Abdominal MR · coronal view
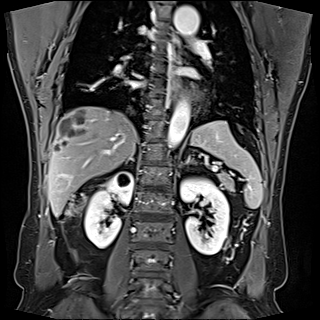
Organ boxes in pixel coordinates; each row gives the top-left (x1, y1) and bottom-right (x2, y2) corners.
| organ | x1 | y1 | x2 | y2 |
|---|---|---|---|---|
| spleen | 191 | 121 | 262 | 208 |
| right kidney | 84 | 172 | 133 | 248 |
| left kidney | 180 | 178 | 229 | 254 |
| esophagus | 169 | 32 | 180 | 103 |
| liver | 47 | 106 | 137 | 216 |
| aorta | 167 | 101 | 190 | 147 |
| aorta | 174 | 6 | 199 | 35 |
| pancreas | 218 | 172 | 234 | 191 |
| right adrenal gland | 125 | 154 | 134 | 164 |
| left adrenal gland | 186 | 154 | 191 | 164 |